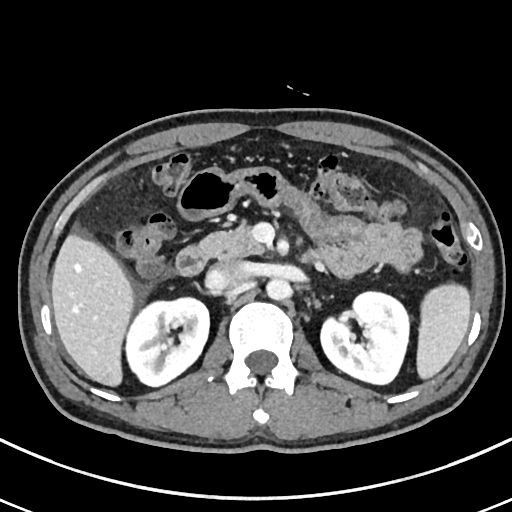
CT, abdomen/pelvis · Axial slice 147/218 · 512x512 px · 15 organs annotated in this scan (that count is for the whole scan; organs this slice misses have no box)
<organs><organ name="spleen" x1="416" y1="283" x2="470" y2="379"/><organ name="right kidney" x1="126" y1="297" x2="209" y2="386"/><organ name="left kidney" x1="321" y1="292" x2="409" y2="384"/><organ name="liver" x1="51" y1="234" x2="134" y2="386"/><organ name="aorta" x1="266" y1="278" x2="291" y2="300"/><organ name="inferior vena cava" x1="207" y1="260" x2="250" y2="290"/><organ name="pancreas" x1="200" y1="222" x2="264" y2="258"/><organ name="duodenum" x1="175" y1="245" x2="207" y2="275"/></organs>